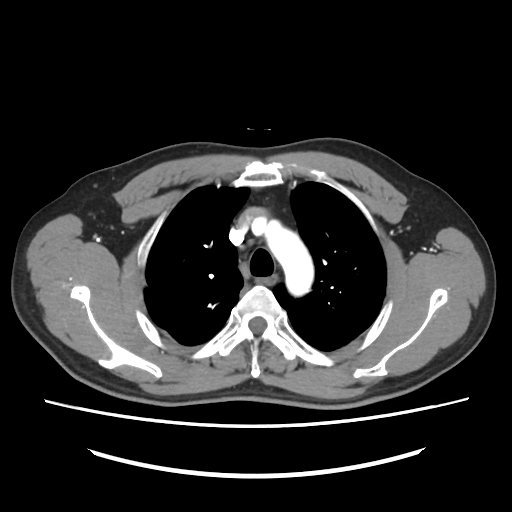

CT of the abdomen extending into the chest, slice through the chest — axial plane, index 119 — soft-tissue window — 512x512 px — 46-year-old male patient — Aquilion ONE scanner
On a slice this high in the chest, this dataset labels only the esophagus and the aorta, and each is boxed only where it is labeled; the heart, lungs and other chest structures are not labeled.
Bounding boxes in pixels, one row per box: x1, y1 is the top-left corner and x2, y2 the bottom-right.
| organ | x1 | y1 | x2 | y2 |
|---|---|---|---|---|
| esophagus | 256 | 275 | 276 | 285 |
| aorta | 264 | 220 | 313 | 295 |